Computed tomography, abdomen. Axial slice 76/128. W/L 400/40 HU. acquired on Aquilion ONE. scan has 15 labeled organs (that count is for the whole scan; organs this slice misses have no box)
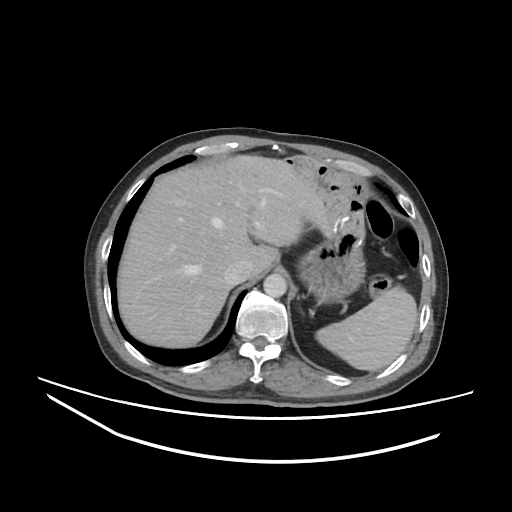
<organs><organ name="spleen" x1="315" y1="286" x2="417" y2="370"/><organ name="liver" x1="117" y1="155" x2="326" y2="347"/><organ name="stomach" x1="297" y1="239" x2="365" y2="303"/><organ name="aorta" x1="263" y1="274" x2="287" y2="297"/><organ name="inferior vena cava" x1="225" y1="260" x2="251" y2="284"/></organs>